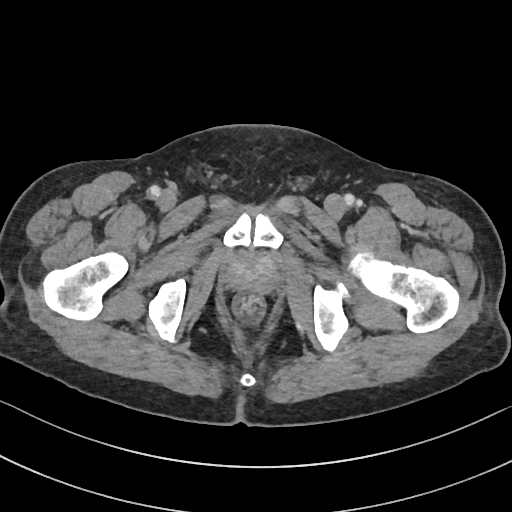
CT, abdomen/pelvis — axial view — scan has 14 labeled organs (counted over the whole 3D scan, not this slice; an organ is boxed only where this slice passes through it)
Bounding boxes as [x1, y1, x2, y2] in pixel coordinates.
Organ bounding boxes:
- prostate/uterus: [225, 252, 278, 292]